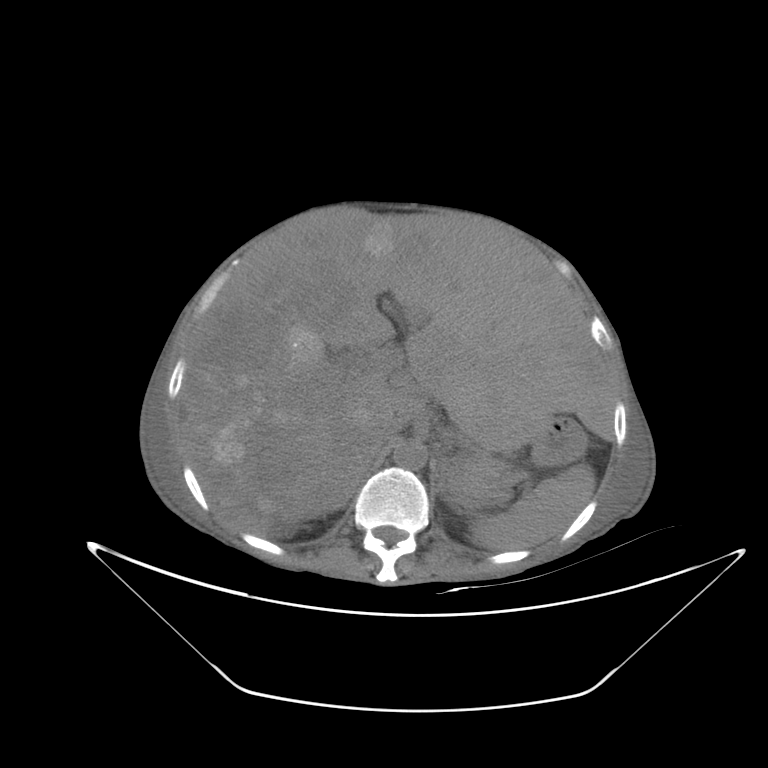 Computed tomography, abdomen; Axial slice 76/108; W/L 400/40 HU
Box edges are left/top/right/bottom in pixels. The annotated organs in this slice are: aorta at left=393, top=441, right=427, bottom=469, left adrenal gland at left=433, top=454, right=445, bottom=497, liver at left=182, top=206, right=612, bottom=535, inferior vena cava at left=366, top=414, right=405, bottom=453, stomach at left=535, top=420, right=584, bottom=464, spleen at left=471, top=464, right=594, bottom=550, pancreas at left=446, top=455, right=510, bottom=502.